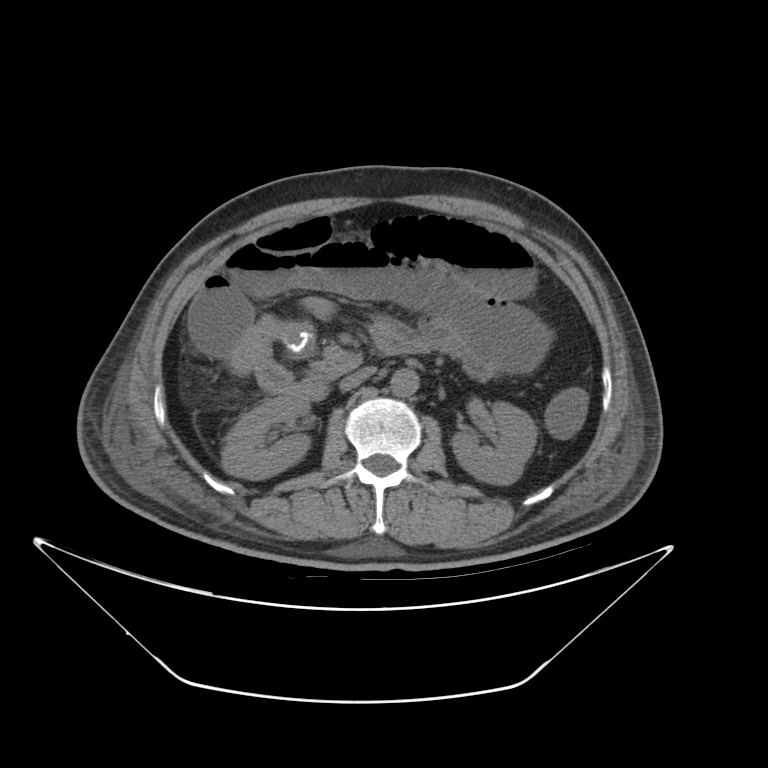 CT, abdomen/pelvis · axial view · abdomen soft-tissue window · 66-year-old male patient
Boxes: x1 y1 x2 y2 (pixel coords, space-separated).
Organ bounding boxes:
- right kidney: 221 392 311 481
- left kidney: 451 402 534 487
- aorta: 389 368 420 397
- inferior vena cava: 336 366 375 390
- pancreas: 306 353 363 380
- duodenum: 287 321 425 398